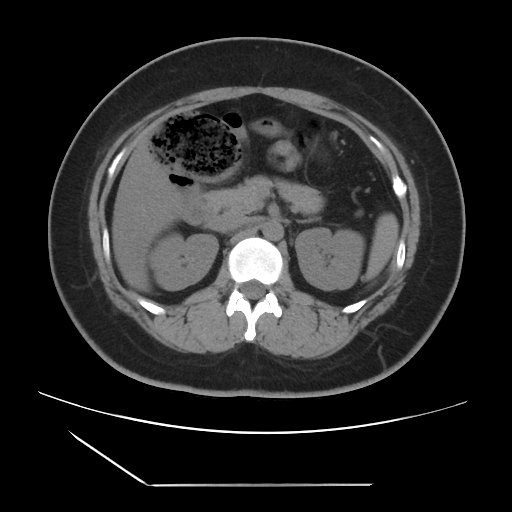
CT abdomen — axial view — SOMATOM Force scanner
<organs><organ name="spleen" x1="365" y1="213" x2="398" y2="280"/><organ name="right kidney" x1="150" y1="234" x2="218" y2="290"/><organ name="left kidney" x1="295" y1="228" x2="364" y2="290"/><organ name="liver" x1="111" y1="140" x2="183" y2="291"/><organ name="aorta" x1="262" y1="220" x2="283" y2="240"/><organ name="inferior vena cava" x1="211" y1="211" x2="247" y2="232"/><organ name="pancreas" x1="204" y1="176" x2="323" y2="213"/><organ name="left adrenal gland" x1="299" y1="219" x2="313" y2="223"/><organ name="duodenum" x1="182" y1="195" x2="216" y2="224"/></organs>